Computed tomography, abdomen. Axial slice 32/298. soft-tissue window. acquired on SOMATOM Force
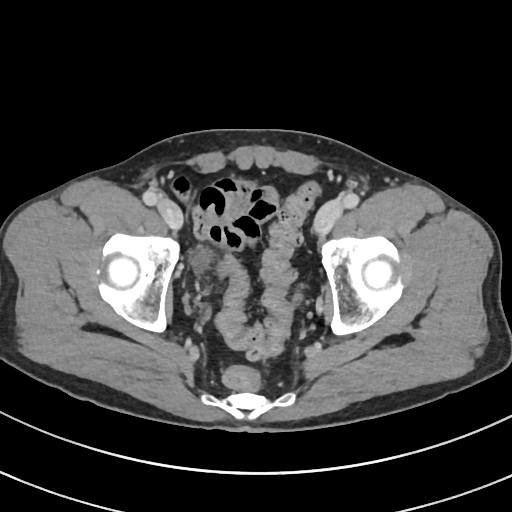

Box edges are left/top/right/bottom in pixels.
bladder: left=193, top=250, right=212, bottom=272